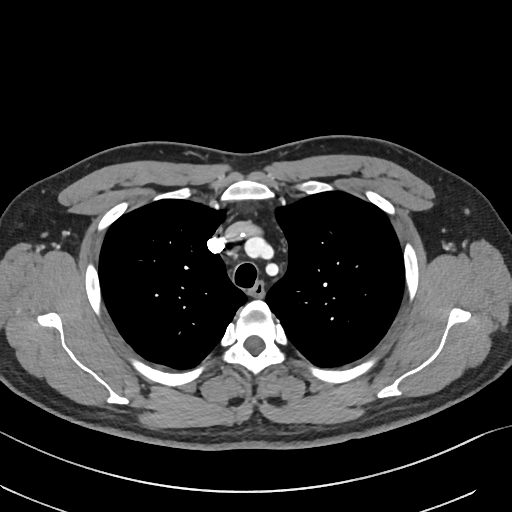
CT of the abdomen extending into the chest, slice through the chest. Axial slice 275/307. soft-tissue window. acquired on SOMATOM Force
On a slice this high in the chest, this dataset labels only the esophagus and the aorta, and each is boxed only where it is labeled; the heart, lungs and other chest structures are not labeled.
<organs><organ name="esophagus" x1="249" y1="283" x2="265" y2="297"/></organs>